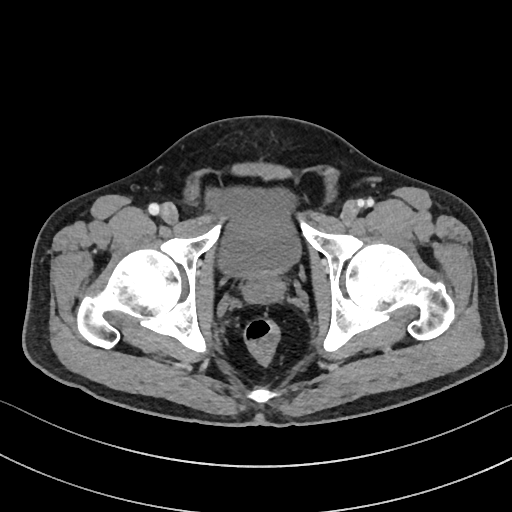 Computed tomography, abdomen; axial plane, index 29; W/L 400/40 HU; SOMATOM Force scanner
Boxes: x1 y1 x2 y2 (pixel coords, space-separated). 2 labeled organs on this slice — bladder at 207 189 301 276; prostate/uterus at 243 274 286 302.